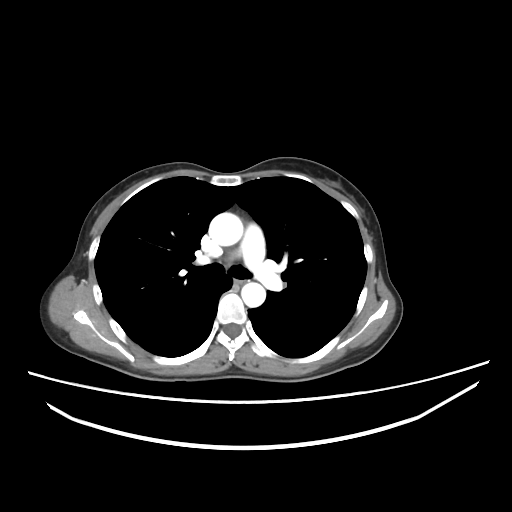
CT of the abdomen extending into the chest, slice through the chest — axial plane, index 91 — 512x512 px — 43-year-old female patient
On a slice this high in the chest, this dataset labels only the esophagus and the aorta, and each is boxed only where it is labeled; the heart, lungs and other chest structures are not labeled.
Bounding boxes as [x1, y1, x2, y2] in pixel coordinates.
esophagus: [234, 280, 243, 284]
aorta: [208, 212, 243, 246]
aorta: [241, 282, 265, 307]